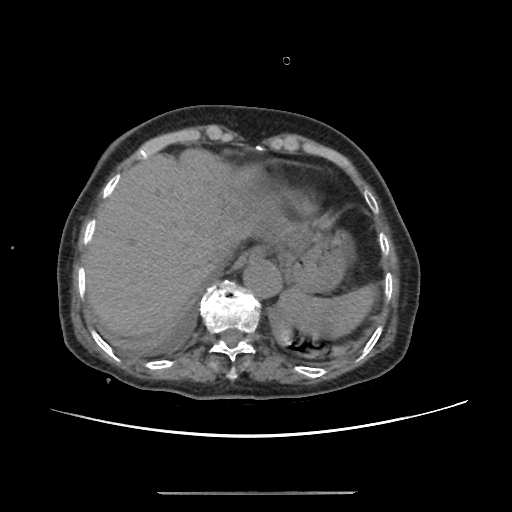

CT, abdomen/pelvis — axial plane, index 299 — scan has 14 labeled organs (a whole-scan count: organs this slice does not pass through have no box)
{"organs":{"esophagus":[233,247,264,269],"aorta":[242,258,281,297],"stomach":[283,231,345,292],"spleen":[279,286,374,337],"liver":[85,148,298,339],"inferior vena cava":[205,240,234,272]}}